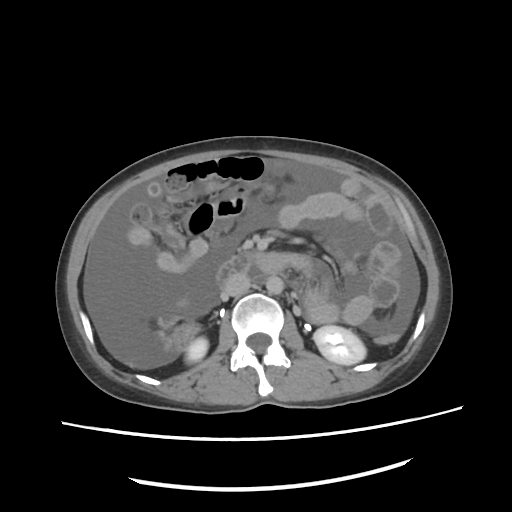 CT abdomen · Axial slice 70/112 · 39-year-old female patient
Bounding boxes as [x1, y1, x2, y2] in pixel coordinates. Labeled organs on this slice: duodenum at [214, 252, 253, 282], aorta at [264, 275, 284, 295], inferior vena cava at [222, 271, 250, 297], right kidney at [184, 337, 208, 363], left kidney at [314, 326, 365, 364].